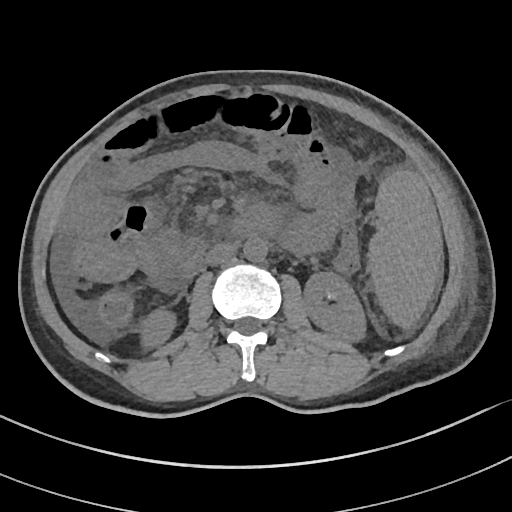 Abdominal CT. Axial slice 121/206. abdomen soft-tissue window. 512x512 px. 15 organs annotated in this scan (a whole-scan count: organs this slice does not pass through have no box)
{"organs":{"spleen":[368,170,441,325],"right kidney":[144,311,173,345],"left kidney":[304,273,364,340],"aorta":[243,237,267,261],"inferior vena cava":[206,243,236,264],"duodenum":[177,211,271,276]}}